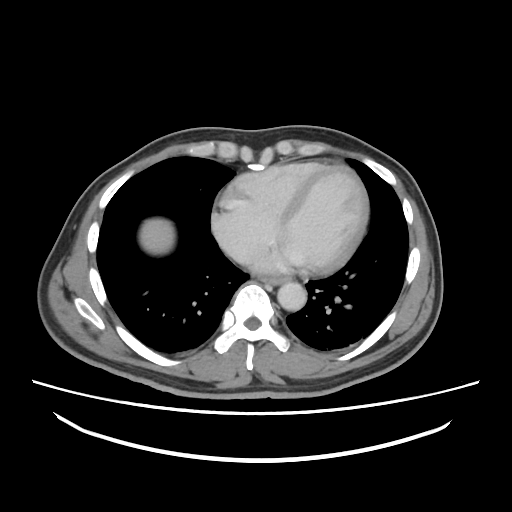
Computed tomography, abdomen — axial view — 512x512 px — scan has 15 labeled organs (that count is for the whole scan; organs this slice misses have no box)
<organs><organ name="esophagus" x1="262" y1="278" x2="288" y2="285"/><organ name="liver" x1="139" y1="218" x2="174" y2="253"/><organ name="aorta" x1="277" y1="282" x2="306" y2="311"/></organs>